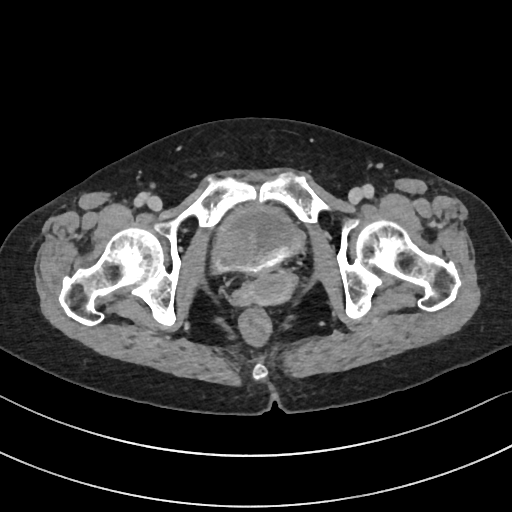
CT abdomen · Axial slice 24/212 · 512x512 px
Boxes are (x1, y1, x2, y2) in pixels.
Organ bounding boxes:
- bladder: (213, 206, 303, 272)
- prostate/uterus: (242, 270, 295, 305)